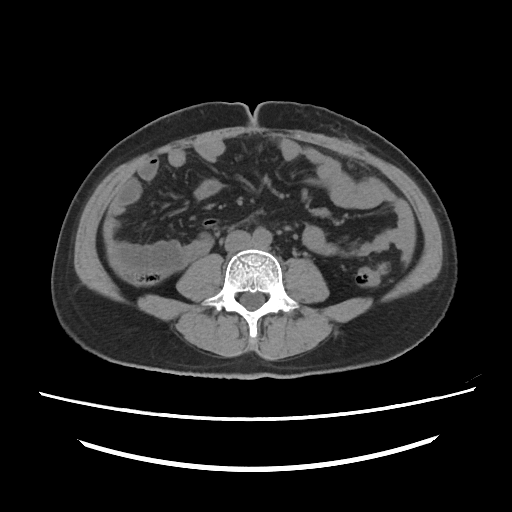 CT abdomen; Axial slice 43/87; abdomen soft-tissue window; 14 organs annotated in this scan (that count is for the whole scan; organs this slice misses have no box)
Organ boxes in pixel coordinates; each row gives the top-left (x1, y1) and bottom-right (x2, y2) corners.
| organ | x1 | y1 | x2 | y2 |
|---|---|---|---|---|
| aorta | 252 | 227 | 272 | 248 |
| inferior vena cava | 225 | 230 | 251 | 252 |